Abdominal CT; axial view; 512x512 px
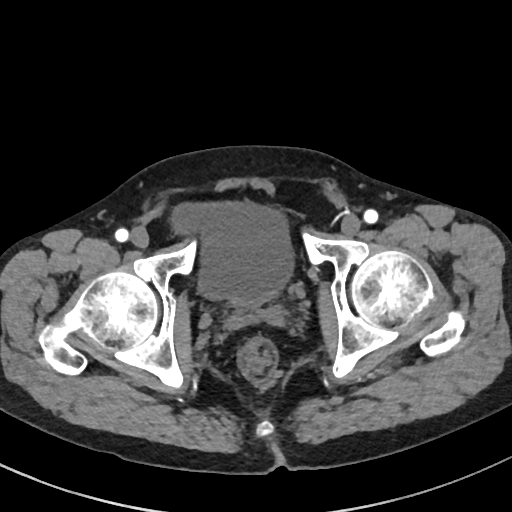

Boxes: x1 y1 x2 y2 (pixel coords, space-separated).
bladder: 170 202 291 308